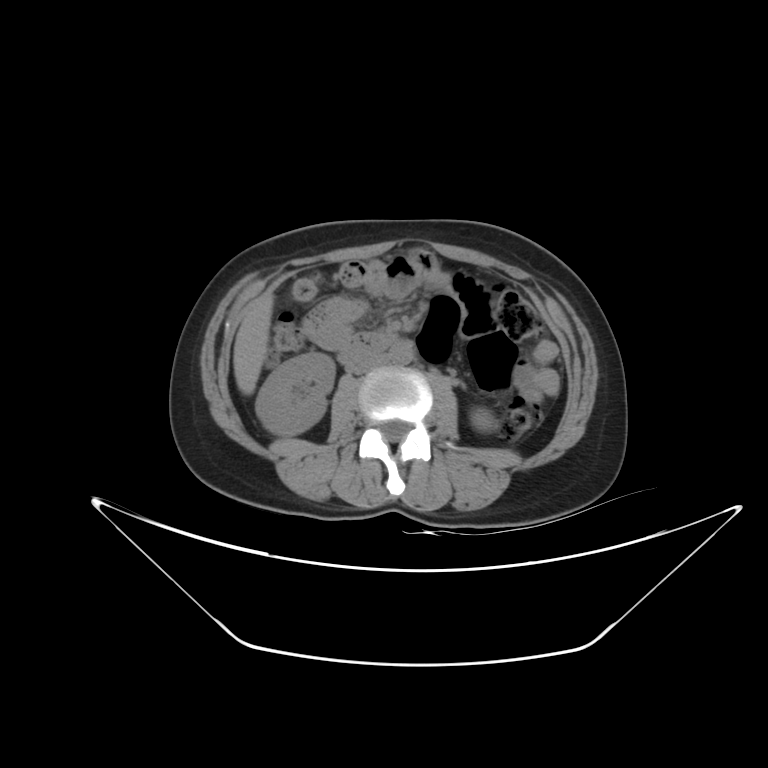
Abdominal CT; axial view; 15 organs annotated in this scan (a whole-scan count: organs this slice does not pass through have no box)
Bounding boxes as [x1, y1, x2, y2] in pixel coordinates. Labeled organs on this slice: left kidney at [470, 408, 496, 431], liver at [233, 292, 274, 395], right kidney at [255, 352, 335, 435], aorta at [388, 341, 413, 364], duodenum at [338, 331, 397, 364], inferior vena cava at [350, 353, 387, 374].